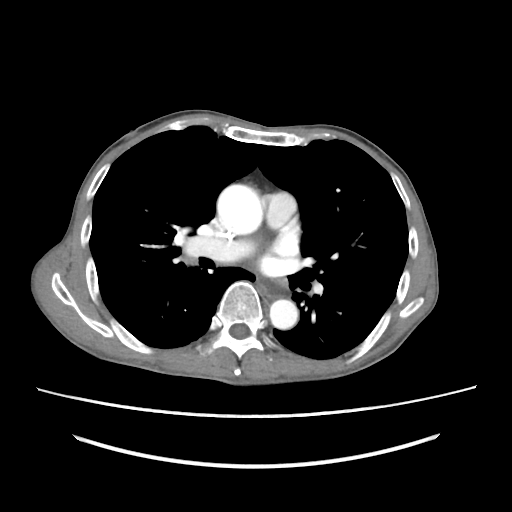 Chest-level CT slice, above the liver and spleen. axial view. W/L 400/40 HU. 512x512 px. acquired on Aquilion ONE
At this level of the chest no structure but the esophagus and the aorta has a label in this dataset, and those two are boxed only where they are labeled.
Bounding boxes in pixels, one row per box: x1, y1 is the top-left corner and x2, y2 the bottom-right.
| organ | x1 | y1 | x2 | y2 |
|---|---|---|---|---|
| aorta | 217 | 184 | 263 | 234 |
| aorta | 269 | 299 | 298 | 329 |
| esophagus | 258 | 278 | 286 | 298 |